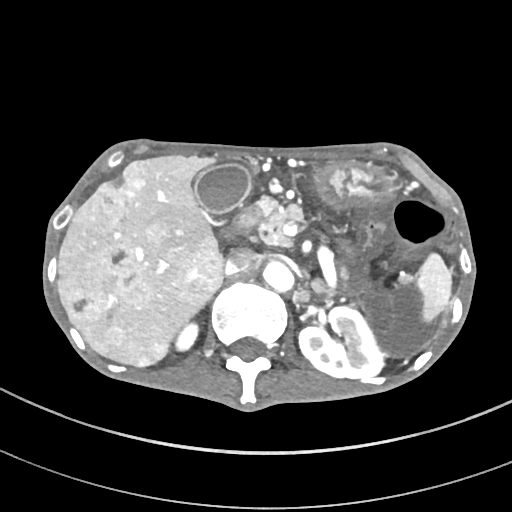 CT, abdomen/pelvis · axial view
{"organs":{"spleen":[415,251,453,323],"right kidney":[174,323,199,350],"left kidney":[298,306,384,380],"gall bladder":[193,164,251,241],"liver":[57,154,224,367],"stomach":[314,161,395,207],"aorta":[262,261,294,292],"inferior vena cava":[226,250,259,275],"pancreas":[257,198,351,291],"left adrenal gland":[293,291,311,307],"duodenum":[232,204,262,233]}}